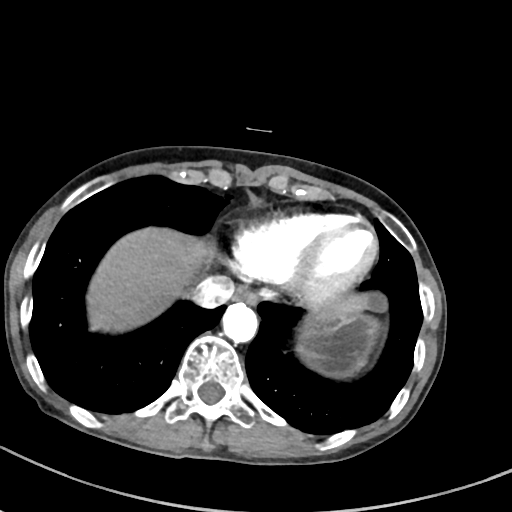 CT, abdomen/pelvis — axial view — soft-tissue window (W 400 / L 40)
{"organs":{"esophagus":[232,287,257,304],"liver":[87,229,365,327],"stomach":[300,314,378,375],"aorta":[222,303,258,343],"inferior vena cava":[191,273,234,307]}}